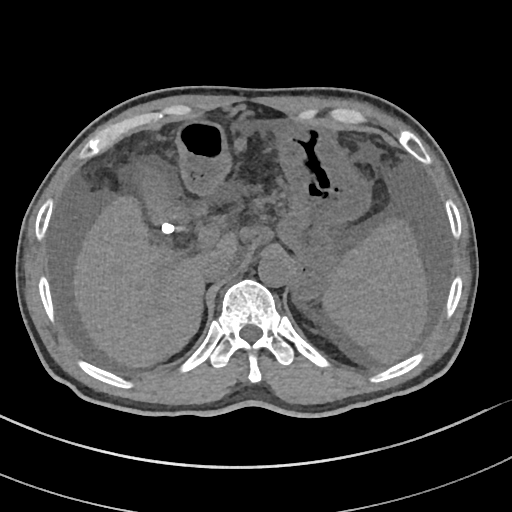
Abdominal CT; axial view; acquired on SOMATOM Force
Bounding boxes as [x1, y1, x2, y2] in pixel coordinates.
spleen: [322, 220, 427, 362]
gall bladder: [135, 164, 206, 231]
liver: [73, 195, 237, 367]
stomach: [175, 120, 370, 299]
aorta: [258, 251, 291, 286]
inferior vena cava: [201, 253, 233, 282]
right adrenal gland: [202, 305, 203, 311]